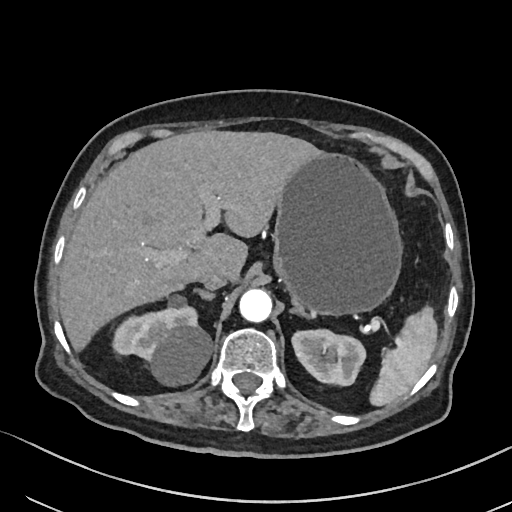
CT, abdomen/pelvis. axial plane, index 181. 15 organs annotated in this scan (counted over the whole 3D scan, not this slice; an organ is boxed only where this slice passes through it)
One row per box, in pixels: columns x1 and y1 give the top-left corner, x2 and y2 the bottom-right.
| organ | x1 | y1 | x2 | y2 |
|---|---|---|---|---|
| spleen | 371 | 307 | 437 | 405 |
| right kidney | 114 | 294 | 211 | 385 |
| left kidney | 291 | 327 | 366 | 385 |
| liver | 58 | 130 | 317 | 348 |
| stomach | 274 | 150 | 403 | 314 |
| aorta | 239 | 288 | 272 | 321 |
| inferior vena cava | 200 | 269 | 231 | 289 |
| right adrenal gland | 196 | 287 | 214 | 299 |
| left adrenal gland | 288 | 300 | 307 | 315 |